Abdominal MR; axial view
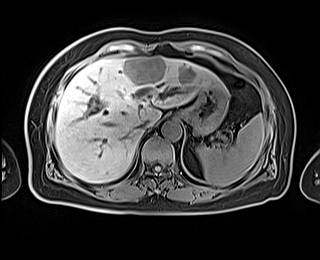

Bounding boxes in pixels, one row per box: x1, y1 is the top-left corner and x2, y2 the bottom-right.
| organ | x1 | y1 | x2 | y2 |
|---|---|---|---|---|
| spleen | 196 | 114 | 264 | 186 |
| liver | 55 | 56 | 224 | 182 |
| stomach | 180 | 85 | 227 | 135 |
| aorta | 161 | 121 | 181 | 140 |
| inferior vena cava | 138 | 119 | 150 | 131 |